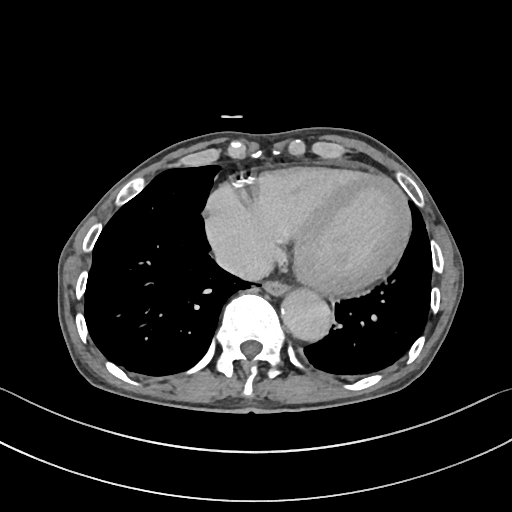
Lower-chest slice from an abdominal CT, just above the liver and spleen. axial view. 512x512 px. scan has 15 labeled organs (counted over the whole 3D scan, not this slice; an organ is boxed only where this slice passes through it)
Of the structures in the chest, this dataset labels only the esophagus, the aorta and the inferior vena cava; the heart and lungs have no label.
Bounding boxes as [x1, y1, x2, y2] in pixel coordinates.
inferior vena cava: [215, 244, 272, 281]
aorta: [281, 289, 332, 341]
esophagus: [263, 281, 288, 295]